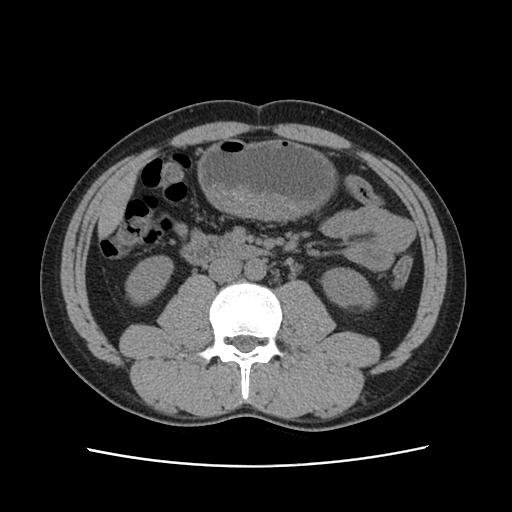

Computed tomography, abdomen. axial view. soft-tissue window. 512x512 px
{"organs":{"right kidney":[126,256,173,304],"left kidney":[322,268,376,308],"liver":[97,171,136,238],"stomach":[198,139,336,219],"aorta":[244,259,266,279],"inferior vena cava":[208,257,241,282],"duodenum":[182,236,259,264]}}